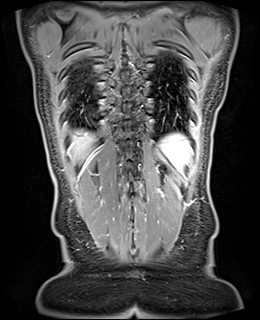
Magnetic resonance imaging, abdomen — coronal plane, index 31 — 260x320 px
Coordinates as <box>x1,y1,x2,y2</box> in pixels. 2 labeled organs on this slice — spleen at <box>160,133,191,171</box>; liver at <box>71,130,93,165</box>.